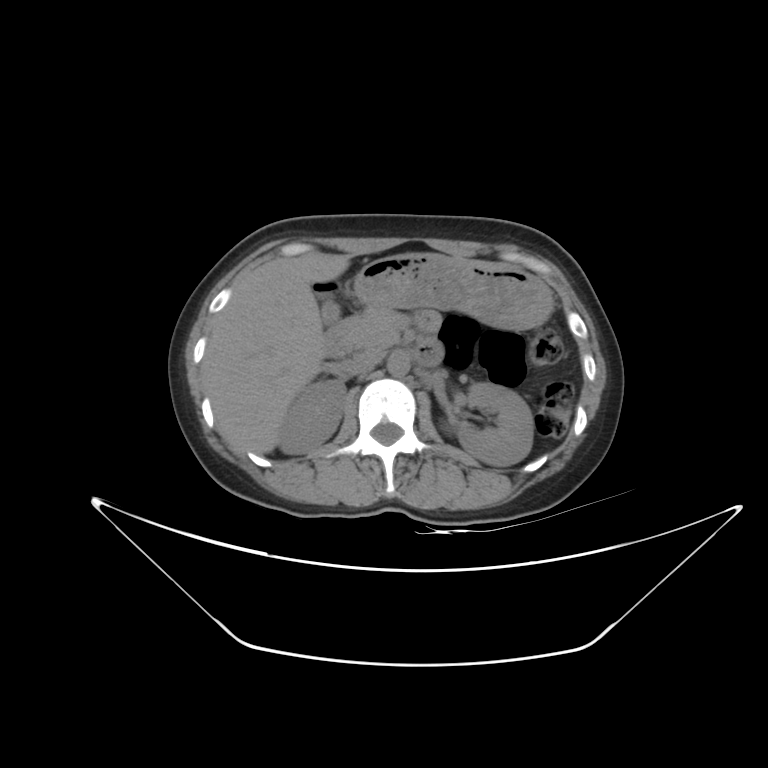

CT, abdomen/pelvis · Axial slice 65/83 · 768x768 px · 15 organs annotated in this scan (counted over the whole 3D scan, not this slice; an organ is boxed only where this slice passes through it)
Boxes: x1:y1:x2:y2 in pixels.
Organ bounding boxes:
- right kidney: 278:380:346:453
- left kidney: 458:382:533:465
- gall bladder: 321:299:340:321
- liver: 200:254:349:454
- stomach: 354:254:551:330
- aorta: 387:352:409:376
- inferior vena cava: 341:352:382:375
- pancreas: 348:306:399:352
- duodenum: 324:319:443:365